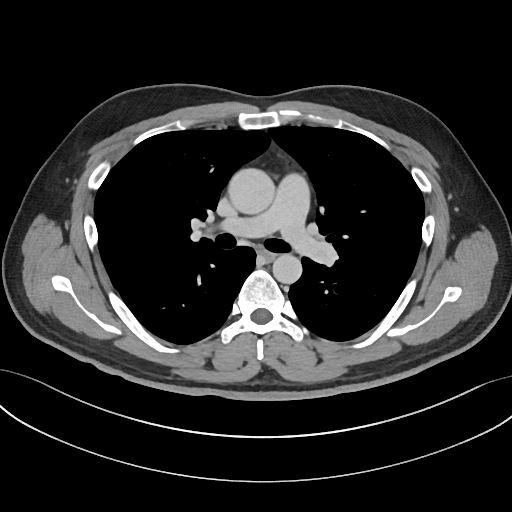

Chest-level slice from an abdominal CT that extends up into the chest. Axial slice 285/345. 512x512 px
At this level of the chest this dataset labels only the esophagus and the aorta, and each is boxed only where it is labeled; the heart and lungs are never labeled.
{"organs":{"aorta":[[228,168,274,213],[272,254,302,283]],"esophagus":[260,249,275,260]}}